CT, abdomen/pelvis · axial view · soft-tissue window
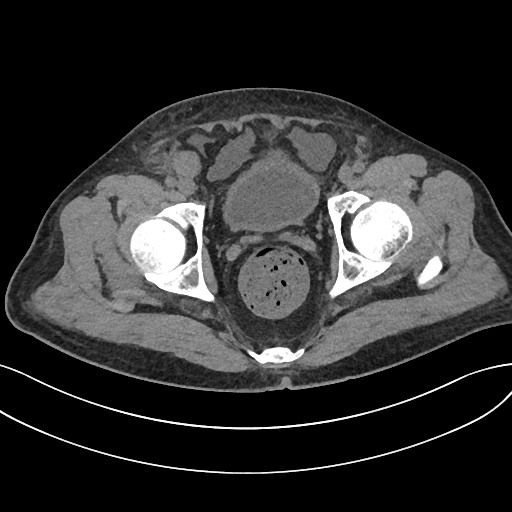 Bounding boxes in pixels, one row per box: x1, y1 is the top-left corner and x2, y2 the bottom-right.
| organ | x1 | y1 | x2 | y2 |
|---|---|---|---|---|
| bladder | 224 | 153 | 317 | 229 |